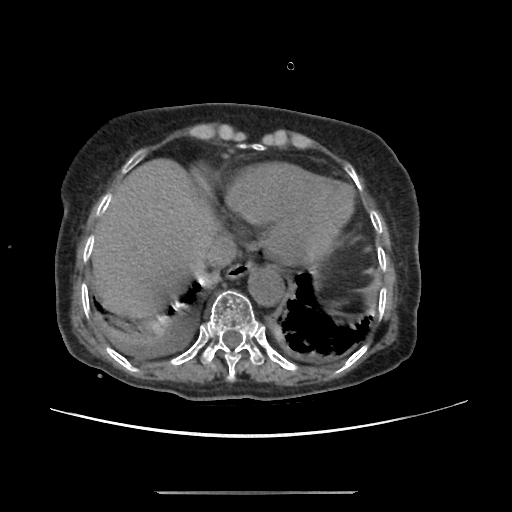
CT abdomen. axial view. abdomen soft-tissue window. acquired on SOMATOM Force
Boxes: x1 y1 x2 y2 (pixel coords, space-separated).
Organ bounding boxes:
- esophagus: 227 262 254 277
- inferior vena cava: 205 234 236 267
- liver: 89 157 223 315
- aorta: 247 264 283 303